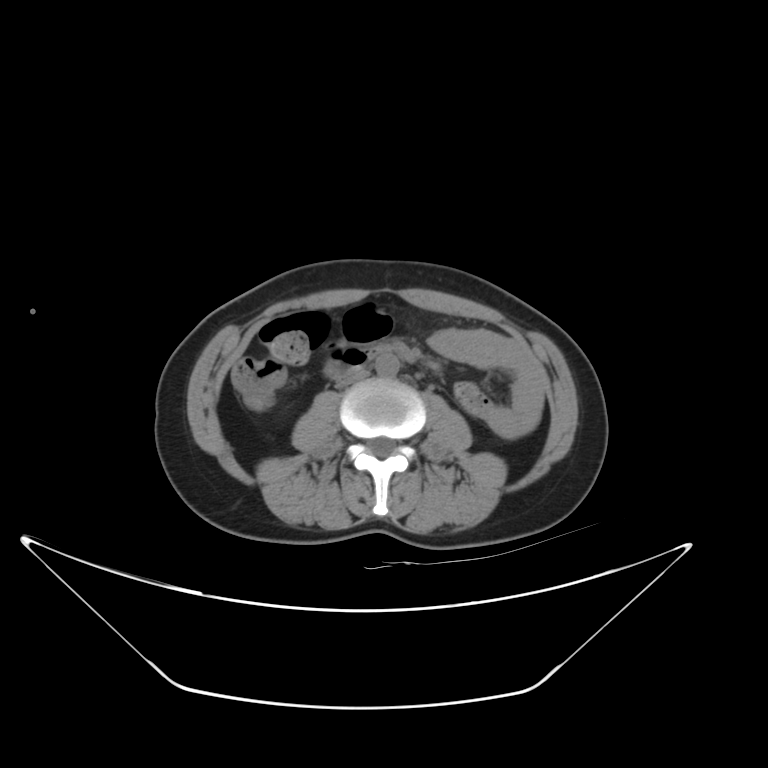
Computed tomography, abdomen — axial view — abdomen soft-tissue window — 768x768 px — 15 organs annotated in this scan (a whole-scan count: organs this slice does not pass through have no box)
Bounding boxes as [x1, y1, x2, y2] in pixel coordinates. Labeled organs on this slice: duodenum at [325, 347, 383, 377], aorta at [375, 353, 399, 377], inferior vena cava at [336, 368, 368, 387].